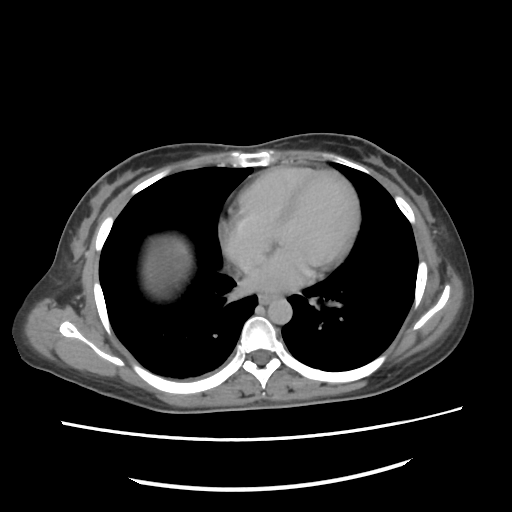
Abdominal CT; this slice is in the lower chest, just above the liver — Axial slice 109/112 — 39-year-old female patient
Of the structures in the chest, this dataset labels only the esophagus, the aorta and the inferior vena cava; the heart and lungs have no label.
Box edges are left/top/right/bottom in pixels.
inferior vena cava: left=231, top=250, right=264, bottom=270
esophagus: left=258, top=295, right=280, bottom=304
aorta: left=268, top=300, right=291, bottom=323